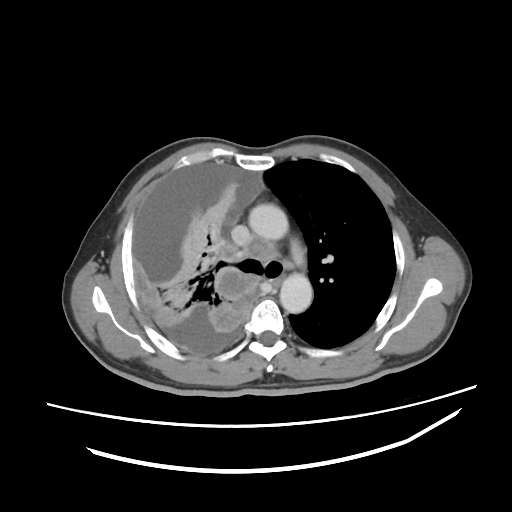
CT of the abdomen extending into the chest, slice through the chest; axial view; 512x512 px; Aquilion ONE scanner
At this level of the chest this dataset labels only the esophagus and the aorta, and each is boxed only where it is labeled; the heart and lungs are never labeled.
One row per box, in pixels: columns x1 and y1 give the top-left corner, x2 and y2 the bottom-right.
| organ | x1 | y1 | x2 | y2 |
|---|---|---|---|---|
| aorta | 248 | 203 | 288 | 240 |
| aorta | 279 | 273 | 312 | 313 |
| esophagus | 273 | 274 | 286 | 287 |